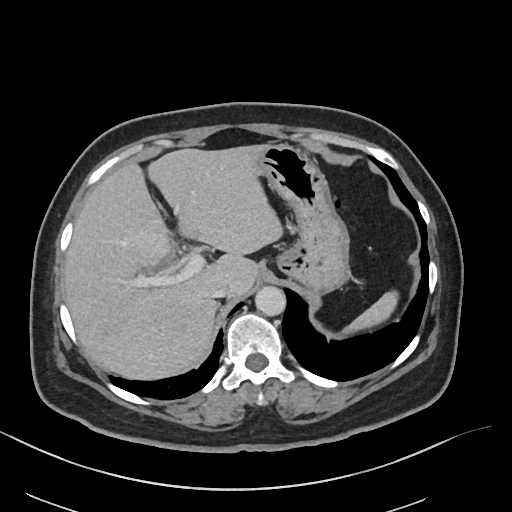

Computed tomography, abdomen; axial view; soft-tissue window; 512x512 px; SOMATOM Force scanner
Each box given as x1,y1,x2,y2.
Organ bounding boxes:
- liver: x1=64, y1=145, x2=282, y2=381
- aorta: x1=255, y1=286, x2=286, y2=316
- inferior vena cava: x1=211, y1=281, x2=227, y2=297
- stomach: x1=251, y1=144, x2=349, y2=294
- spleen: x1=340, y1=291, x2=398, y2=331